Computed tomography, abdomen — axial view — soft-tissue window (W 400 / L 40) — 63-year-old male patient — 14 organs annotated in this scan (counted over the whole 3D scan, not this slice; an organ is boxed only where this slice passes through it)
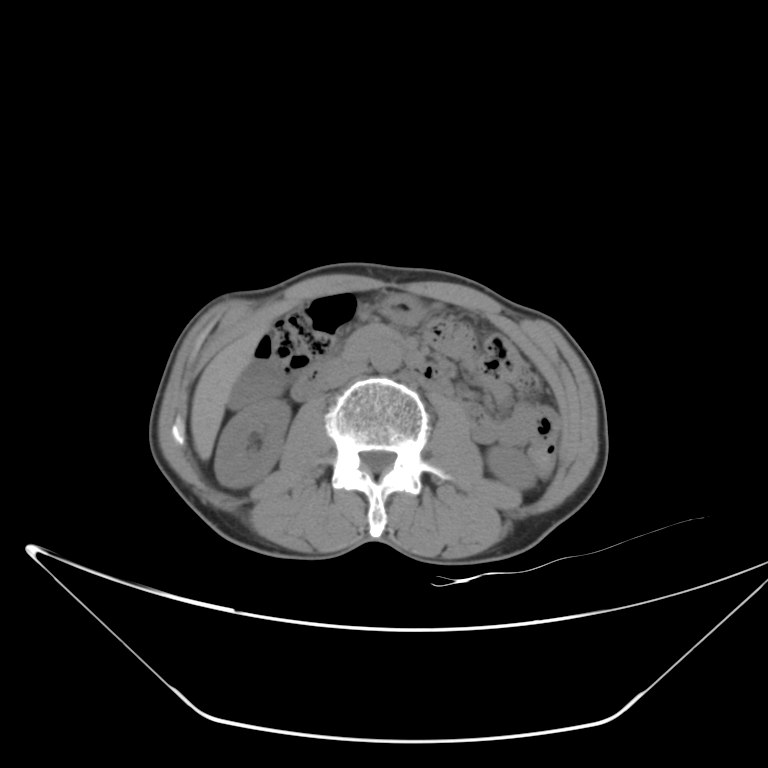 One row per box, in pixels: columns x1 and y1 give the top-left corner, x2 and y2 the bottom-right.
| organ | x1 | y1 | x2 | y2 |
|---|---|---|---|---|
| right kidney | 215 | 398 | 289 | 487 |
| left kidney | 487 | 445 | 535 | 489 |
| gall bladder | 227 | 360 | 285 | 408 |
| liver | 190 | 323 | 268 | 459 |
| stomach | 380 | 295 | 423 | 323 |
| aorta | 369 | 344 | 403 | 371 |
| inferior vena cava | 326 | 359 | 368 | 388 |
| pancreas | 344 | 322 | 394 | 357 |
| duodenum | 291 | 334 | 455 | 401 |